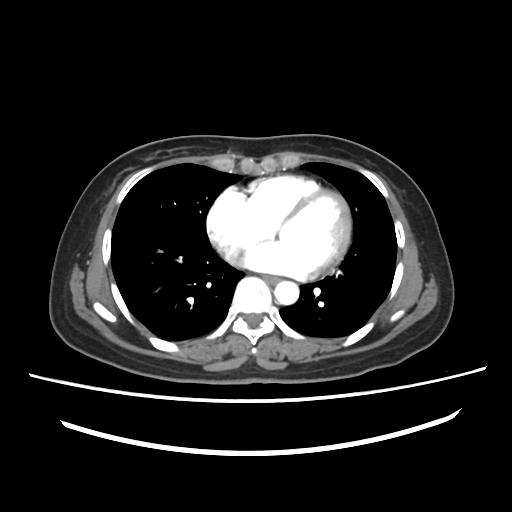

Lower-chest slice from an abdominal CT, just above the liver and spleen — axial view — soft-tissue window, W/L 400/40 — 512x512 px — 45-year-old female patient
No part of the heart or lungs is labeled in this dataset, so neither has a box here.
Organ boxes in pixel coordinates; each row gives the top-left (x1, y1) and bottom-right (x2, y2) corners.
| organ | x1 | y1 | x2 | y2 |
|---|---|---|---|---|
| esophagus | 264 | 275 | 280 | 283 |
| aorta | 274 | 281 | 299 | 304 |